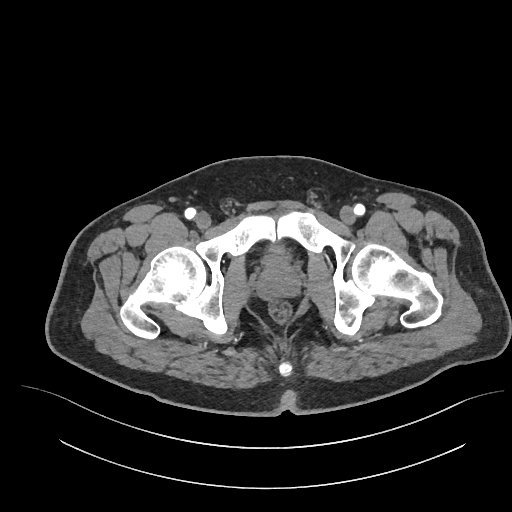

CT, abdomen/pelvis. axial plane, index 30. soft-tissue window (W 400 / L 40). SOMATOM Force scanner. scan has 15 labeled organs (counted over the whole 3D scan, not this slice; an organ is boxed only where this slice passes through it)
{"organs":{"prostate/uterus":[257,262,299,299],"bladder":[263,244,289,263]}}